Computed tomography, abdomen · axial view · soft-tissue window (W 400 / L 40)
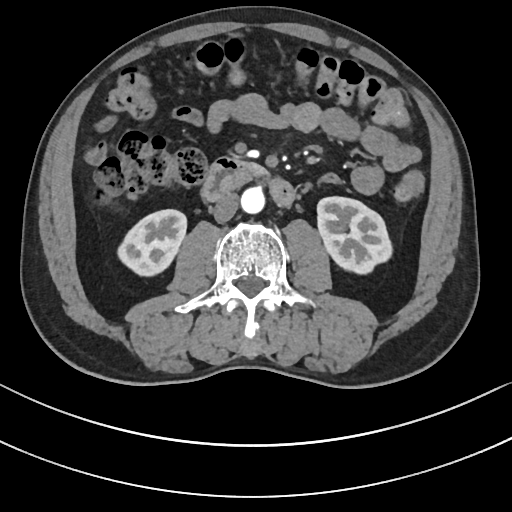 Coordinates as <box>x1,y1,x2,y2</box> in pixels. Labeled organs on this slice: right kidney at <box>117,209,187,275</box>, left kidney at <box>316,197,391,274</box>, aorta at <box>240,188,264,214</box>, inferior vena cava at <box>212,192,238,223</box>, pancreas at <box>243,161,268,178</box>, duodenum at <box>200,158,293,207</box>.